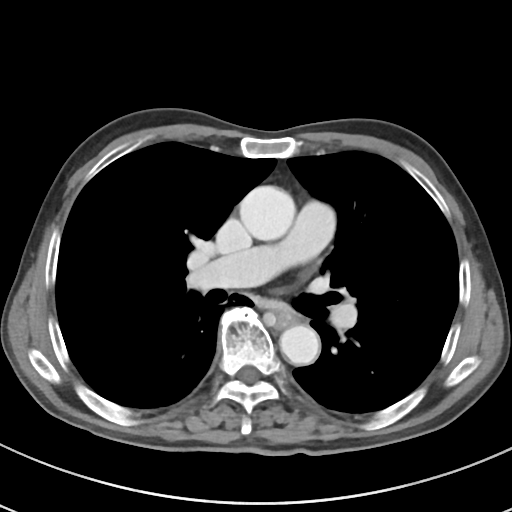
Chest-level CT slice, above the liver and spleen; axial plane, index 92; 15 organs annotated in this scan (that count is for the whole scan; organs this slice misses have no box)
At this level of the chest this dataset labels only the esophagus and the aorta, and each is boxed only where it is labeled; the heart and lungs are never labeled.
Boxes: x1:y1:x2:y2 in pixels.
Organ bounding boxes:
- esophagus: 275:311:295:327
- aorta: 239:185:295:240
- aorta: 280:325:319:365